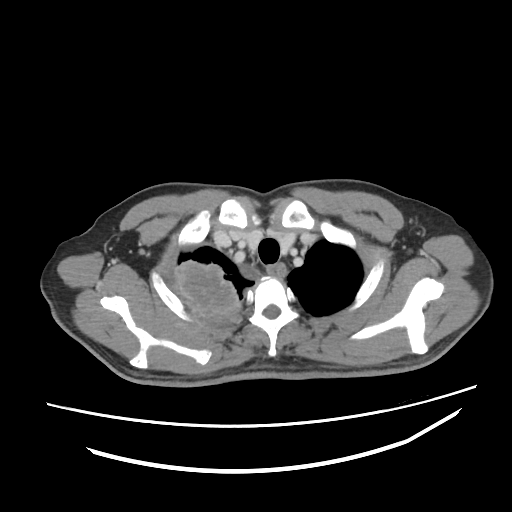 Chest-level slice from an abdominal CT that extends up into the chest. axial plane, index 125. soft-tissue window (W 400 / L 40). 512x512 px. 49-year-old male patient
On a slice this high in the chest, this dataset labels only the esophagus and the aorta, and each is boxed only where it is labeled; the heart, lungs and other chest structures are not labeled.
Organ boxes in pixel coordinates; each row gives the top-left (x1, y1) and bottom-right (x2, y2) corners.
| organ | x1 | y1 | x2 | y2 |
|---|---|---|---|---|
| esophagus | 266 | 262 | 288 | 275 |